Computed tomography, abdomen. axial plane, index 88. soft-tissue window (W 400 / L 40)
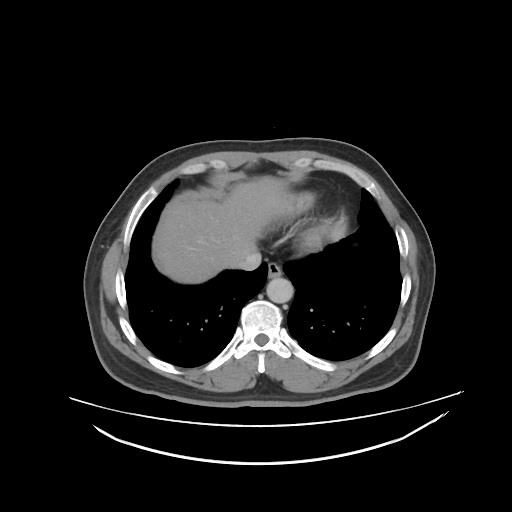
Box edges are left/top/right/bottom in pixels. 4 labeled organs on this slice — esophagus at left=267, top=262, right=282, bottom=277; liver at left=152, top=175, right=313, bottom=283; aorta at left=266, top=278, right=294, bottom=303; inferior vena cava at left=231, top=252, right=261, bottom=270.